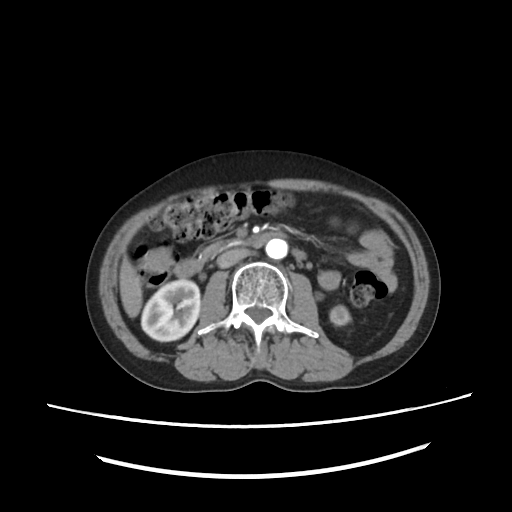

Abdominal CT — axial view — soft-tissue window (W 400 / L 40) — 512x512 px — 67-year-old male patient
{"organs":{"right kidney":[141,278,200,341],"left kidney":[329,307,350,325],"liver":[120,259,140,316],"aorta":[266,239,288,258],"inferior vena cava":[216,248,252,268],"pancreas":[199,241,231,261],"duodenum":[174,231,285,276]}}